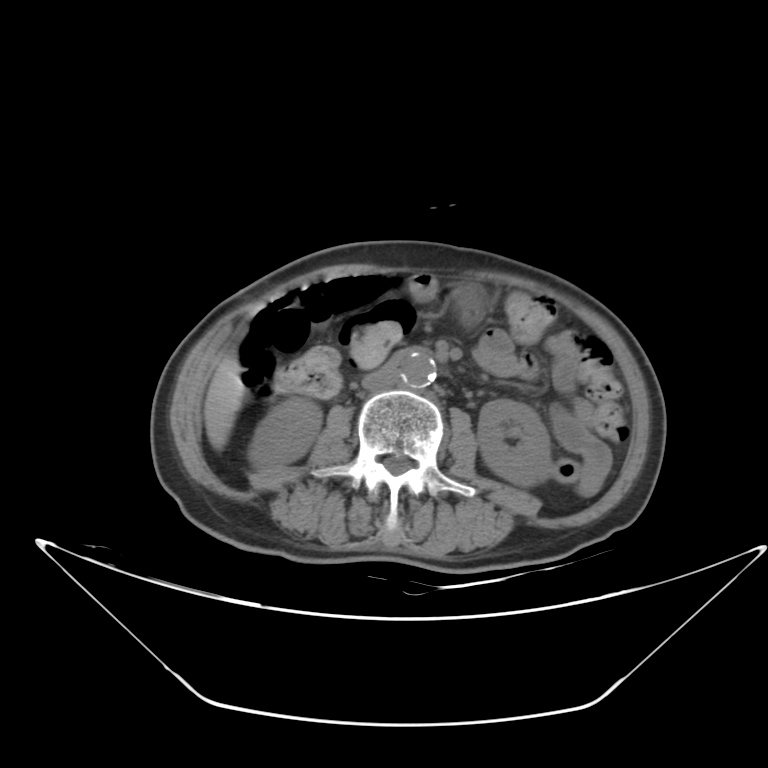

CT, abdomen/pelvis; axial plane, index 54; 15 organs annotated in this scan (counted over the whole 3D scan, not this slice; an organ is boxed only where this slice passes through it)
Each box given as x1,y1,x2,y2.
Organ bounding boxes:
- right kidney: x1=249, y1=397, x2=320, y2=467
- left kidney: x1=478, y1=399, x2=550, y2=487
- liver: x1=204, y1=351, x2=248, y2=450
- stomach: x1=411, y1=273, x2=482, y2=322
- aorta: x1=399, y1=351, x2=436, y2=390
- inferior vena cava: x1=360, y1=366, x2=400, y2=388